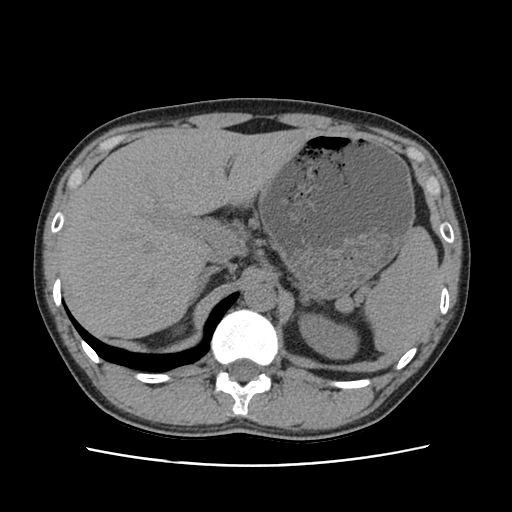 CT abdomen. Axial slice 137/167. soft-tissue window. 512x512 px
<organs><organ name="spleen" x1="336" y1="226" x2="440" y2="355"/><organ name="left kidney" x1="299" y1="314" x2="355" y2="358"/><organ name="liver" x1="58" y1="128" x2="317" y2="339"/><organ name="stomach" x1="259" y1="132" x2="414" y2="298"/><organ name="aorta" x1="244" y1="282" x2="275" y2="311"/><organ name="inferior vena cava" x1="206" y1="249" x2="236" y2="272"/><organ name="right adrenal gland" x1="191" y1="268" x2="219" y2="303"/><organ name="left adrenal gland" x1="292" y1="280" x2="316" y2="305"/></organs>